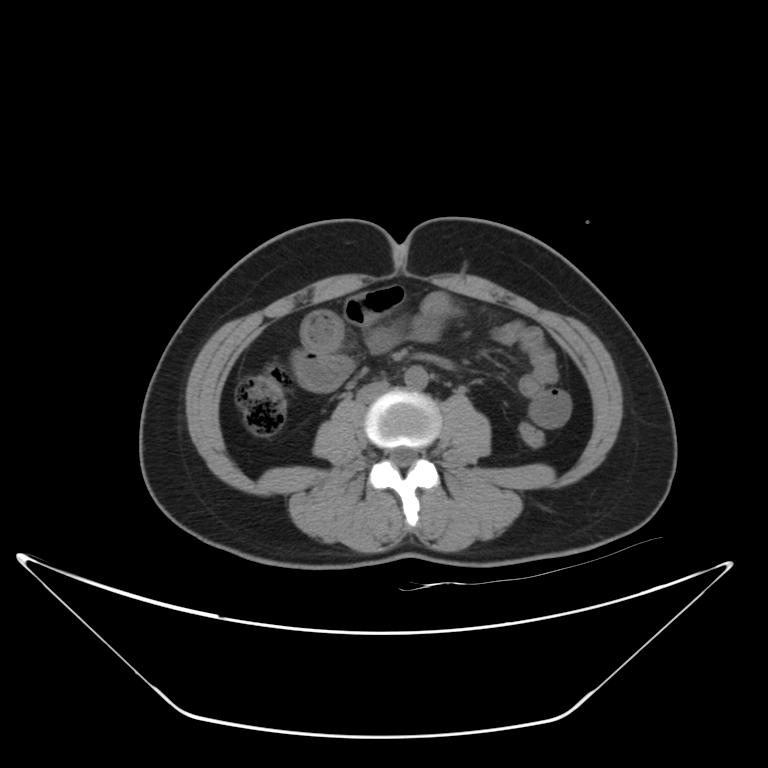

CT, abdomen/pelvis · axial view · 768x768 px · scan has 15 labeled organs (counted over the whole 3D scan, not this slice; an organ is boxed only where this slice passes through it)
{"organs":{"aorta":[404,365,427,390],"inferior vena cava":[357,381,388,402]}}